CT abdomen; axial plane, index 158; abdomen soft-tissue window
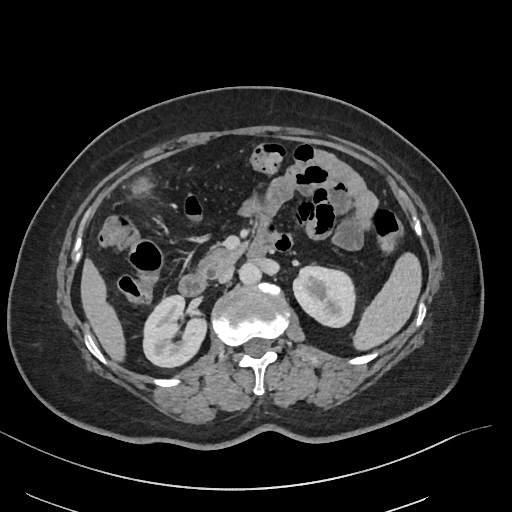 Bounding boxes in pixels, one row per box: x1, y1 is the top-left corner and x2, y2 the bottom-right.
| organ | x1 | y1 | x2 | y2 |
|---|---|---|---|---|
| spleen | 353 | 252 | 421 | 350 |
| right kidney | 143 | 295 | 206 | 367 |
| left kidney | 293 | 266 | 355 | 327 |
| gall bladder | 133 | 179 | 149 | 192 |
| liver | 80 | 258 | 125 | 361 |
| aorta | 239 | 262 | 261 | 285 |
| inferior vena cava | 217 | 265 | 234 | 283 |
| pancreas | 198 | 247 | 243 | 275 |
| duodenum | 178 | 235 | 273 | 295 |